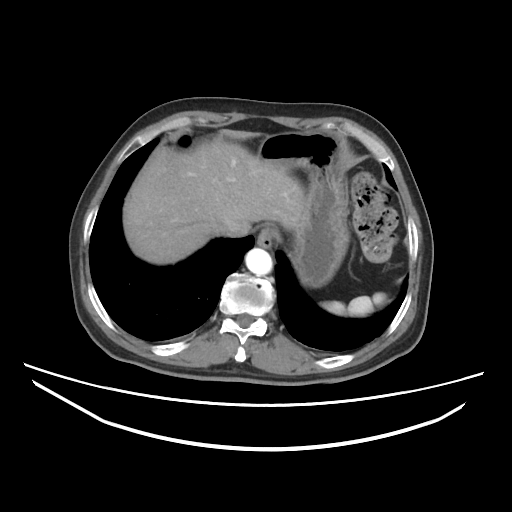

Computed tomography, abdomen · axial plane, index 80 · W/L 400/40 HU · 512x512 px · 58-year-old male patient
<organs><organ name="spleen" x1="321" y1="292" x2="386" y2="316"/><organ name="esophagus" x1="257" y1="225" x2="278" y2="248"/><organ name="liver" x1="123" y1="130" x2="305" y2="264"/><organ name="stomach" x1="257" y1="131" x2="349" y2="287"/><organ name="aorta" x1="245" y1="248" x2="272" y2="275"/><organ name="inferior vena cava" x1="221" y1="223" x2="250" y2="237"/></organs>